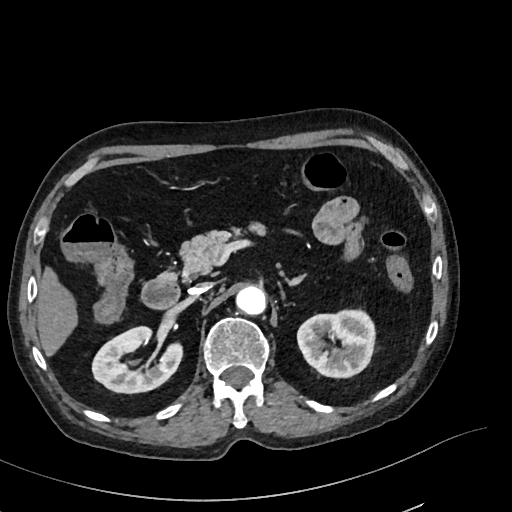
CT, abdomen/pelvis. axial view. 512x512 px. 15 organs annotated in this scan (that count is for the whole scan; organs this slice misses have no box)
<organs><organ name="right kidney" x1="92" y1="326" x2="182" y2="393"/><organ name="left kidney" x1="297" y1="310" x2="375" y2="377"/><organ name="liver" x1="37" y1="267" x2="78" y2="356"/><organ name="aorta" x1="236" y1="285" x2="266" y2="314"/><organ name="inferior vena cava" x1="189" y1="282" x2="212" y2="294"/><organ name="pancreas" x1="179" y1="222" x2="266" y2="279"/><organ name="left adrenal gland" x1="287" y1="274" x2="304" y2="285"/><organ name="duodenum" x1="141" y1="272" x2="180" y2="308"/></organs>